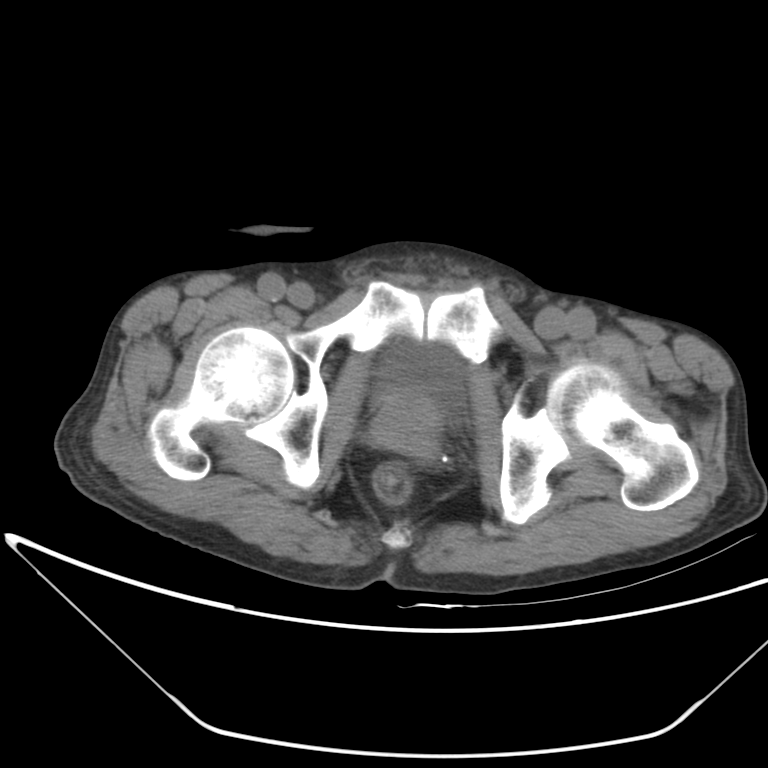

CT, abdomen/pelvis; Axial slice 12/82; 66-year-old male patient
Bounding boxes in pixels, one row per box: x1, y1 is the top-left corner and x2, y2 the bottom-right.
| organ | x1 | y1 | x2 | y2 |
|---|---|---|---|---|
| bladder | 380 | 343 | 463 | 411 |
| prostate/uterus | 377 | 393 | 441 | 450 |